Abdominal CT. axial view. abdomen soft-tissue window. 512x512 px
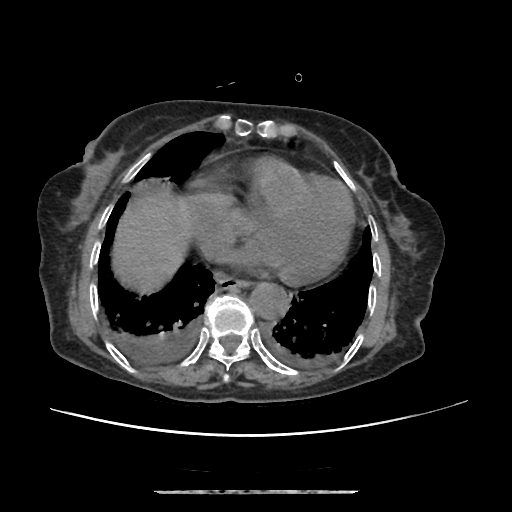
One row per box, in pixels: columns x1 and y1 give the top-left corner, x2 and y2 the bottom-right.
| organ | x1 | y1 | x2 | y2 |
|---|---|---|---|---|
| esophagus | 216 | 273 | 249 | 289 |
| aorta | 250 | 282 | 287 | 318 |
| liver | 110 | 190 | 189 | 292 |